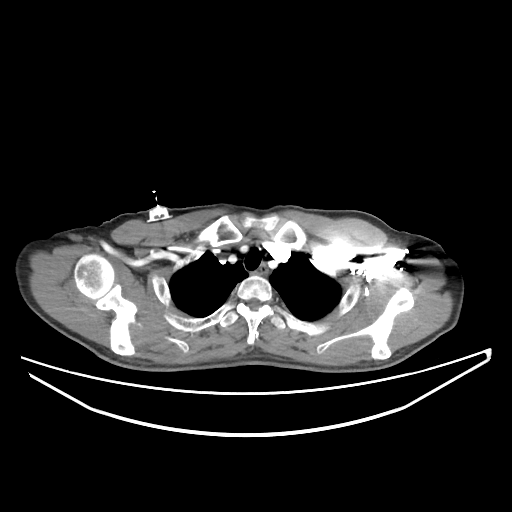 Chest-level slice from an abdominal CT that extends up into the chest. axial view. 62-year-old male patient. 15 organs annotated in this scan (counted over the whole 3D scan, not this slice; an organ is boxed only where this slice passes through it)
At this level of the chest no structure but the esophagus and the aorta has a label in this dataset, and those two are boxed only where they are labeled. Boxes are (x1, y1, x2, y2) in pixels. Labeled organs on this slice: esophagus at (254, 269, 266, 275).